CT abdomen — axial view
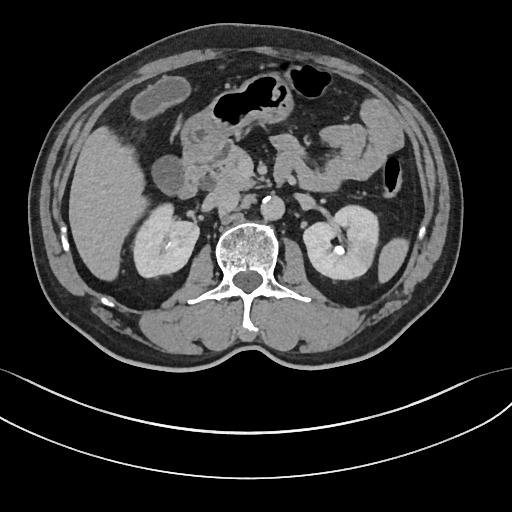

Bounding boxes in pixels, one row per box: x1, y1 is the top-left corner and x2, y2 the bottom-right.
| organ | x1 | y1 | x2 | y2 |
|---|---|---|---|---|
| liver | 68 | 124 | 146 | 281 |
| stomach | 181 | 71 | 295 | 154 |
| gall bladder | 130 | 78 | 188 | 193 |
| aorta | 260 | 196 | 284 | 221 |
| duodenum | 180 | 141 | 231 | 197 |
| left kidney | 303 | 207 | 378 | 280 |
| pancreas | 209 | 144 | 255 | 189 |
| spleen | 377 | 238 | 410 | 284 |
| right kidney | 134 | 204 | 199 | 278 |
| inferior vena cava | 204 | 188 | 239 | 213 |